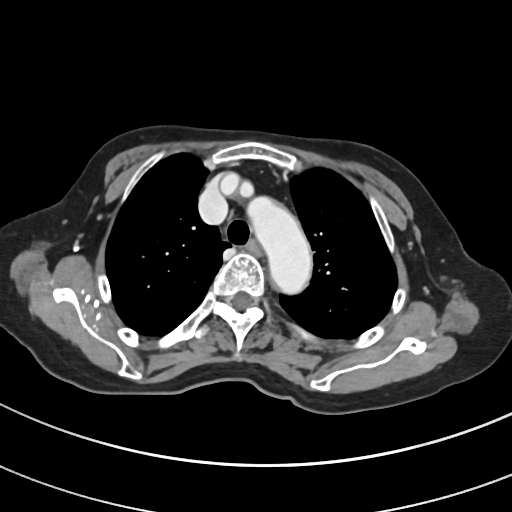 Chest-level slice from an abdominal CT that extends up into the chest — Axial slice 253/284 — soft-tissue window — 512x512 px — SOMATOM Force scanner
At this level of the chest this dataset labels only the esophagus and the aorta, and each is boxed only where it is labeled; the heart and lungs are never labeled.
One row per box, in pixels: columns x1 and y1 give the top-left corner, x2 and y2 the bottom-right.
| organ | x1 | y1 | x2 | y2 |
|---|---|---|---|---|
| esophagus | 243 | 240 | 259 | 254 |
| aorta | 247 | 196 | 312 | 294 |